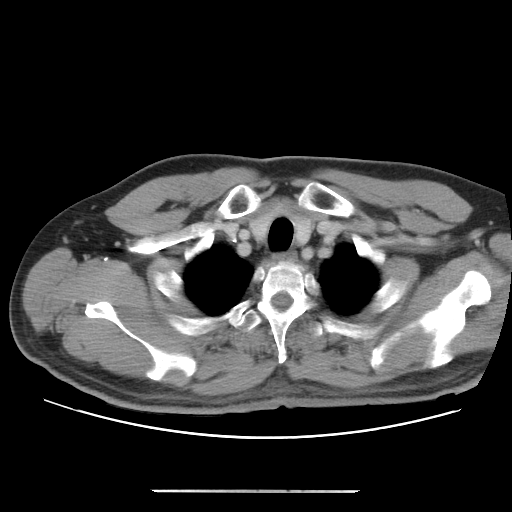 Chest-level CT slice, above the liver and spleen. axial view
At this level of the chest no structure but the esophagus and the aorta has a label in this dataset, and those two are boxed only where they are labeled.
Boxes: x1 y1 x2 y2 (pixel coords, space-separated).
esophagus: 274 253 296 262